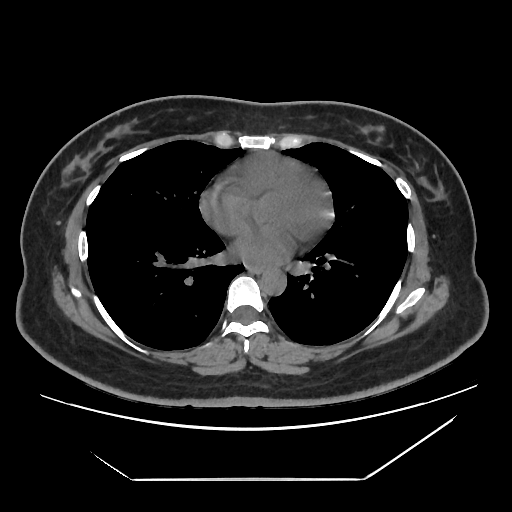

Abdominal CT; this slice is in the lower chest, just above the liver — axial view — soft-tissue window, W/L 400/40 — 512x512 px
Of the structures in the chest, this dataset labels only the esophagus, the aorta and the inferior vena cava; the heart and lungs have no label. Bounding boxes as [x1, y1, x2, y2] in pixel coordinates. Labeled organs on this slice: esophagus at [248, 266, 261, 273], aorta at [260, 269, 286, 294].